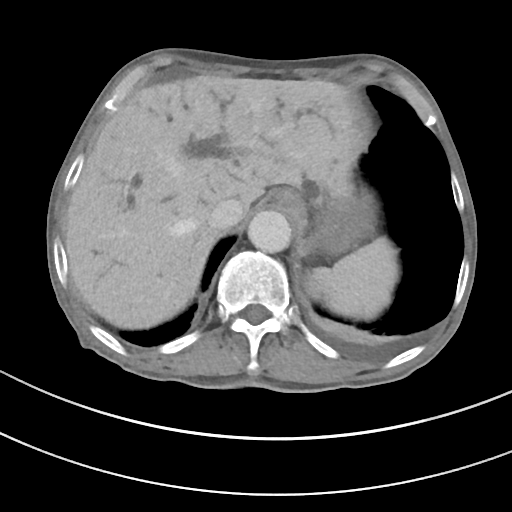
CT abdomen · axial plane, index 69 · abdomen soft-tissue window
<organs><organ name="spleen" x1="306" y1="237" x2="397" y2="318"/><organ name="esophagus" x1="270" y1="188" x2="301" y2="215"/><organ name="liver" x1="66" y1="75" x2="364" y2="328"/><organ name="stomach" x1="300" y1="187" x2="372" y2="254"/><organ name="aorta" x1="247" y1="210" x2="291" y2="252"/><organ name="inferior vena cava" x1="208" y1="198" x2="244" y2="230"/></organs>